Abdominal CT. axial view. abdomen soft-tissue window. 15 organs annotated in this scan (counted over the whole 3D scan, not this slice; an organ is boxed only where this slice passes through it)
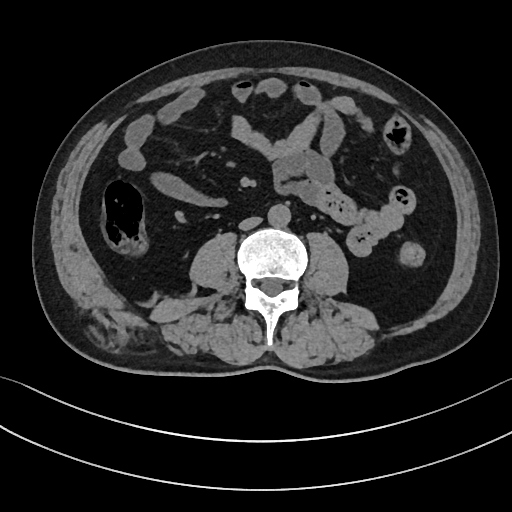
Bounding boxes in pixels, one row per box: x1, y1 is the top-left corner and x2, y2 the bottom-right.
| organ | x1 | y1 | x2 | y2 |
|---|---|---|---|---|
| aorta | 268 | 204 | 291 | 227 |
| inferior vena cava | 239 | 217 | 261 | 229 |